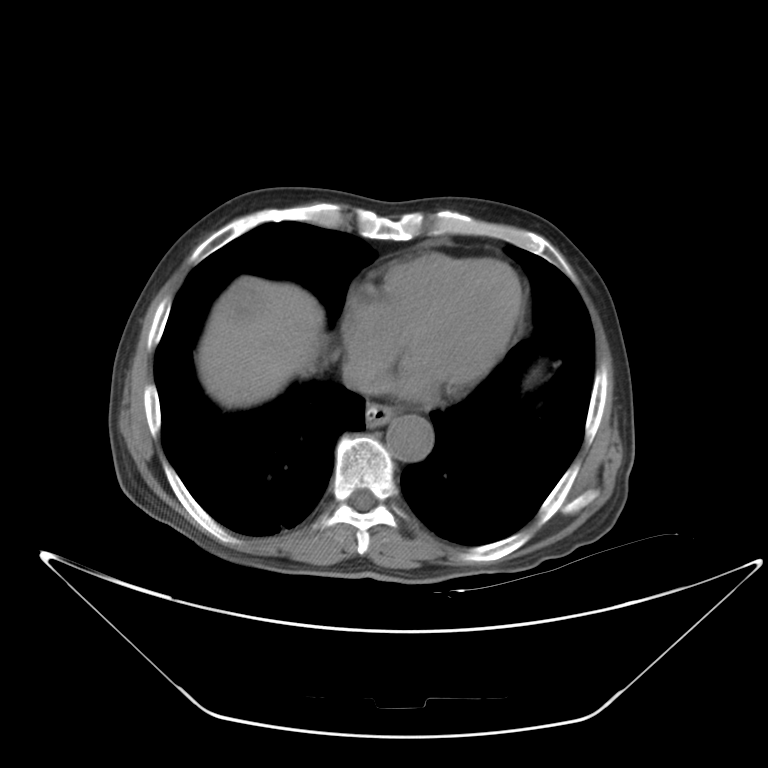

CT, abdomen/pelvis — axial plane, index 86 — soft-tissue window
{"organs":{"esophagus":[365,404,396,427],"liver":[196,275,324,408],"aorta":[386,415,433,461],"inferior vena cava":[342,357,382,393]}}